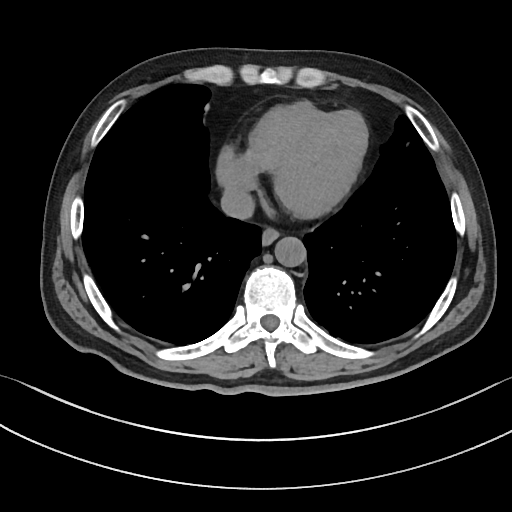 Abdominal CT; this slice is in the lower chest, just above the liver; axial view; 512x512 px
Of the structures in the chest, this dataset labels only the esophagus, the aorta and the inferior vena cava; the heart and lungs have no label.
Box edges are left/top/right/bottom in pixels.
esophagus: left=262, top=227, right=280, bottom=245
aorta: left=274, top=237, right=306, bottom=266
inferior vena cava: left=220, top=189, right=255, bottom=219